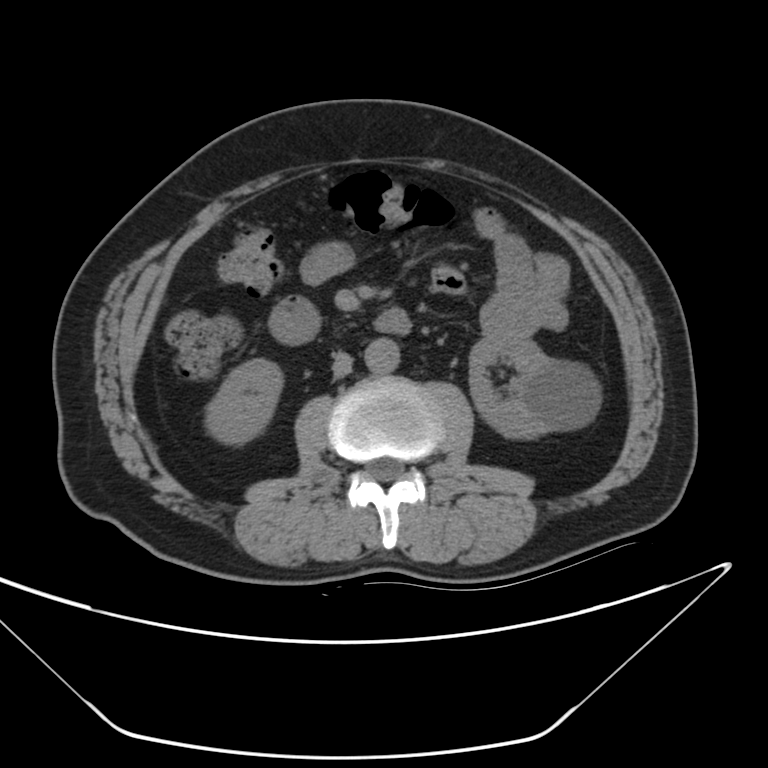
Computed tomography, abdomen · axial view · soft-tissue window (W 400 / L 40) · 50-year-old male patient · Brilliance16 scanner
<organs><organ name="inferior vena cava" x1="332" y1="354" x2="351" y2="378"/><organ name="left kidney" x1="467" y1="331" x2="600" y2="438"/><organ name="duodenum" x1="270" y1="297" x2="412" y2="345"/><organ name="aorta" x1="366" y1="339" x2="399" y2="374"/><organ name="right kidney" x1="207" y1="359" x2="282" y2="442"/></organs>